CT, abdomen/pelvis. axial view. 512x512 px. 39-year-old female patient. acquired on Aquilion ONE
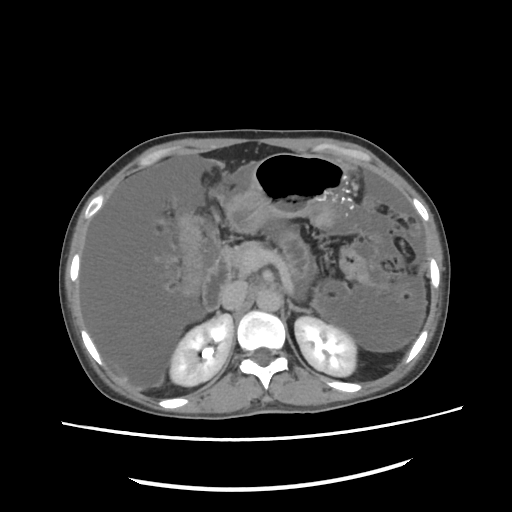 Coordinates as <box>x1,y1,x2,y2</box> in pixels.
right kidney: <box>170,313,233,385</box>
left kidney: <box>295,317,355,375</box>
stomach: <box>224,154,351,231</box>
aorta: <box>254,292,279,315</box>
inferior vena cava: <box>222,281,247,310</box>
pancreas: <box>227,240,261,268</box>
left adrenal gland: <box>287,298,309,316</box>
duodenum: <box>203,247,230,309</box>